Abdominal MRI; coronal plane, index 122; percentile-normalized
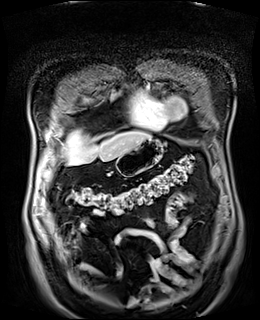 <organs><organ name="stomach" x1="116" y1="138" x2="163" y2="176"/><organ name="liver" x1="66" y1="130" x2="151" y2="165"/></organs>